Abdominal MRI. axial view. 1st–99th percentile window. 576x468 px. Prisma scanner
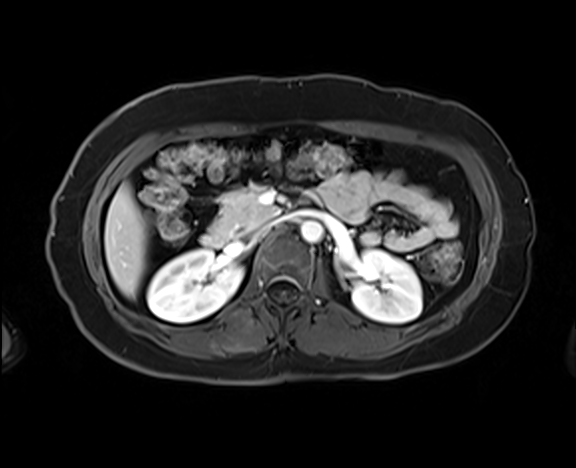

Bounding boxes as [x1, y1, x2, y2] in pixel coordinates.
Organ bounding boxes:
- right kidney: [147, 249, 242, 321]
- left kidney: [351, 249, 422, 323]
- liver: [104, 184, 147, 297]
- aorta: [301, 221, 323, 242]
- inferior vena cava: [255, 220, 277, 235]
- pancreas: [210, 187, 277, 239]
- duodenum: [201, 233, 226, 247]